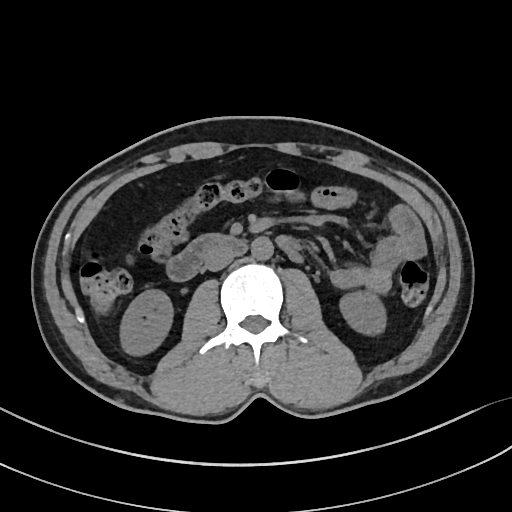 CT abdomen · axial view · scan has 15 labeled organs (a whole-scan count: organs this slice does not pass through have no box)
Coordinates as <box>x1,y1,x2,y2</box> in pixels. Labeled organs on this slice: right kidney at <box>120,289,173,355</box>, left kidney at <box>339,291,385,335</box>, aorta at <box>251,237,273,260</box>, inferior vena cava at <box>204,247,235,271</box>, duodenum at <box>166,233,302,281</box>.